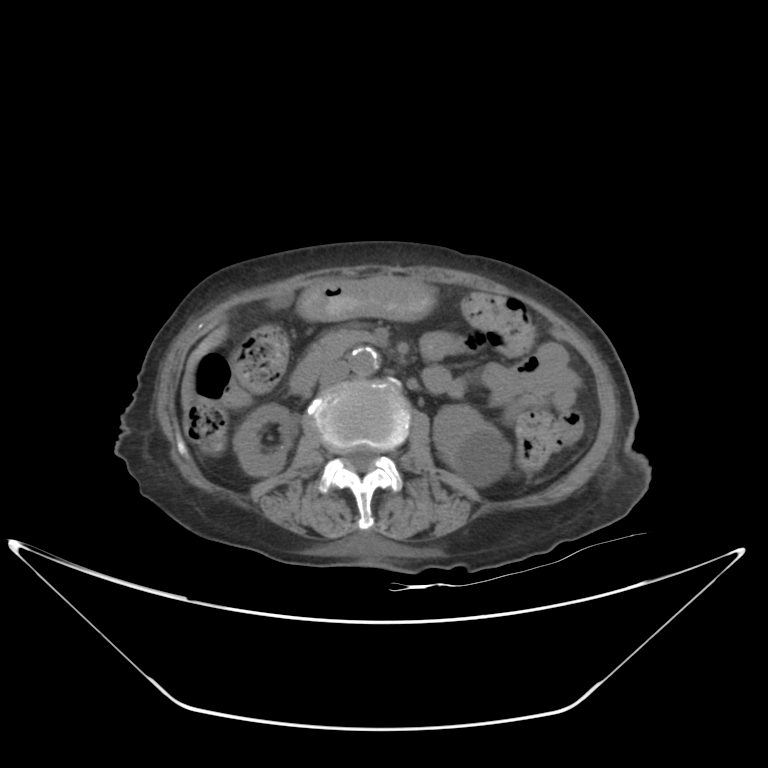

CT, abdomen/pelvis — Axial slice 50/79 — abdomen soft-tissue window — 768x768 px — female patient aged 90 or older
{"organs":{"right kidney":[233,403,295,476],"left kidney":[432,405,510,487],"gall bladder":[275,297,286,304],"liver":[181,326,227,408],"stomach":[297,276,435,321],"aorta":[349,347,379,376],"inferior vena cava":[318,361,348,384],"pancreas":[309,330,372,363],"duodenum":[289,351,326,394]}}